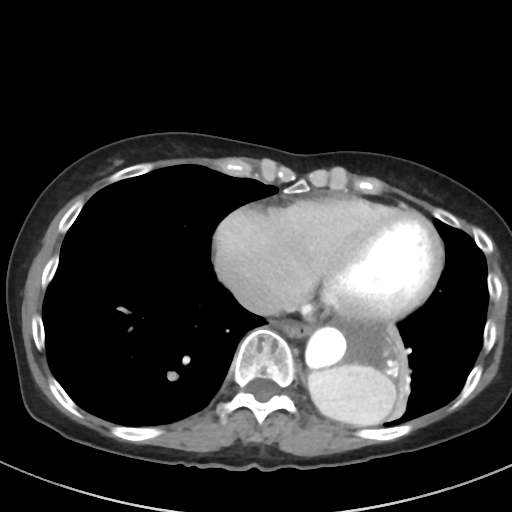
Abdominal CT; this slice is in the lower chest, just above the liver · Axial slice 75/116 · soft-tissue window, W/L 400/40 · 512x512 px · SOMATOM Force scanner · 15 organs annotated in this scan (counted over the whole 3D scan, not this slice; an organ is boxed only where this slice passes through it)
Of the structures in the chest, this dataset labels only the esophagus, the aorta and the inferior vena cava; the heart and lungs have no label.
{"organs":{"esophagus":[275,320,311,338],"aorta":[304,320,401,428],"inferior vena cava":[231,277,281,315]}}